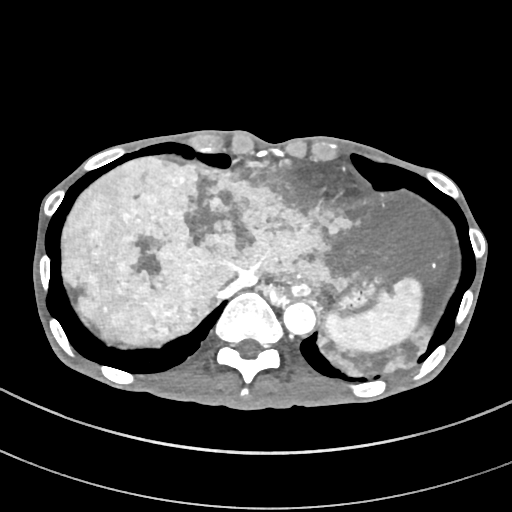 CT abdomen. Axial slice 195/218. abdomen soft-tissue window. SOMATOM Force scanner
Each box given as x1,y1,x2,y2.
aorta: x1=283, y1=301, x2=315, y2=334
spleen: x1=324, y1=278, x2=421, y2=352
liver: x1=61, y1=157, x2=450, y2=376
stomach: x1=288, y1=273, x2=382, y2=310
inferior vena cava: x1=216, y1=274, x2=257, y2=300